Abdominal CT; this slice is in the lower chest, just above the liver · axial view · 512x512 px
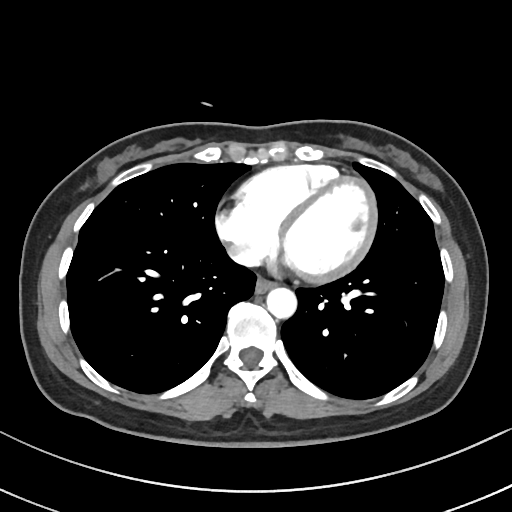 No part of the heart or lungs is labeled in this dataset, so neither has a box here.
One row per box, in pixels: columns x1 and y1 give the top-left corner, x2 and y2 the bottom-right.
| organ | x1 | y1 | x2 | y2 |
|---|---|---|---|---|
| esophagus | 255 | 278 | 274 | 293 |
| aorta | 266 | 287 | 296 | 318 |
| inferior vena cava | 228 | 245 | 258 | 265 |